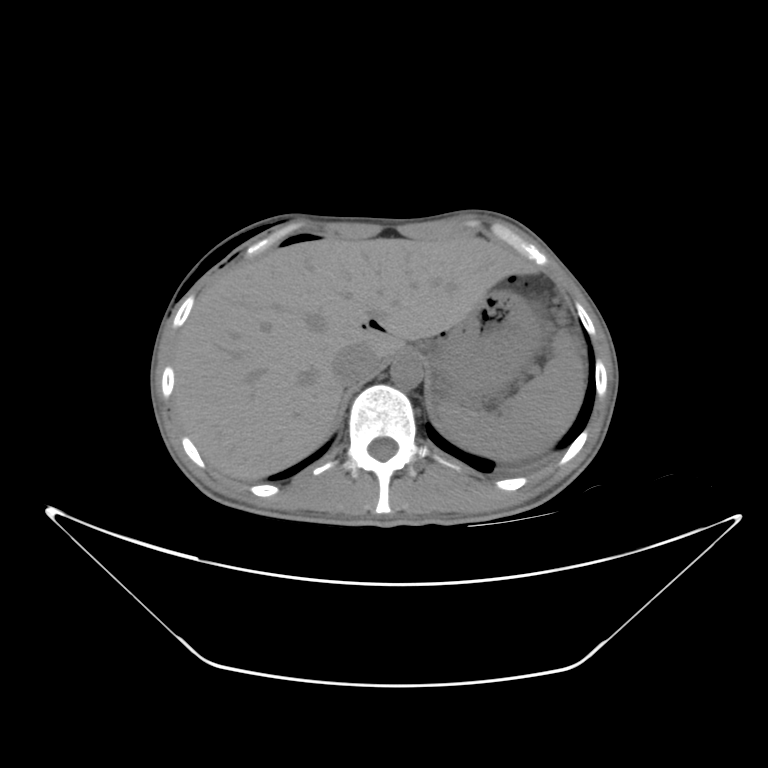
CT abdomen — Axial slice 78/95 — 33-year-old male patient
Bounding boxes as [x1, y1, x2, y2] in pixel coordinates.
spleen: [437, 329, 584, 460]
liver: [175, 238, 533, 480]
stomach: [441, 290, 562, 389]
aorta: [389, 355, 421, 385]
inferior vena cava: [329, 343, 376, 381]